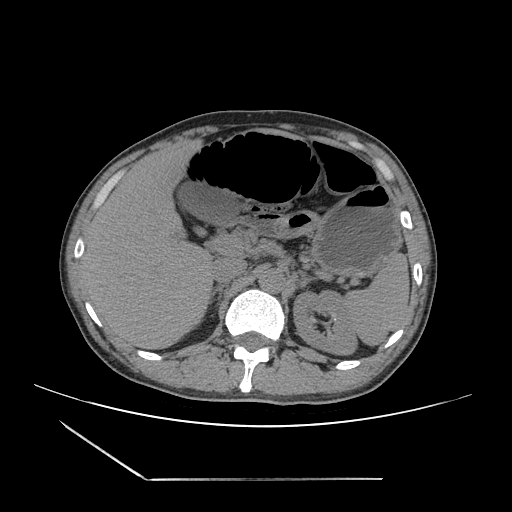 Computed tomography, abdomen — axial view — 512x512 px
Boxes: x1:y1:x2:y2 in pixels.
stomach: 271:185:401:276
duodenum: 220:212:280:236
gall bladder: 176:181:239:225
aorta: 258:268:286:293
inferior vena cava: 211:257:246:283
spleen: 344:252:409:345
right adrenal gland: 208:284:226:304
left kidney: 293:290:357:355
left adrenal gland: 299:272:315:288
liver: 81:128:297:349
pancreas: 302:256:329:279